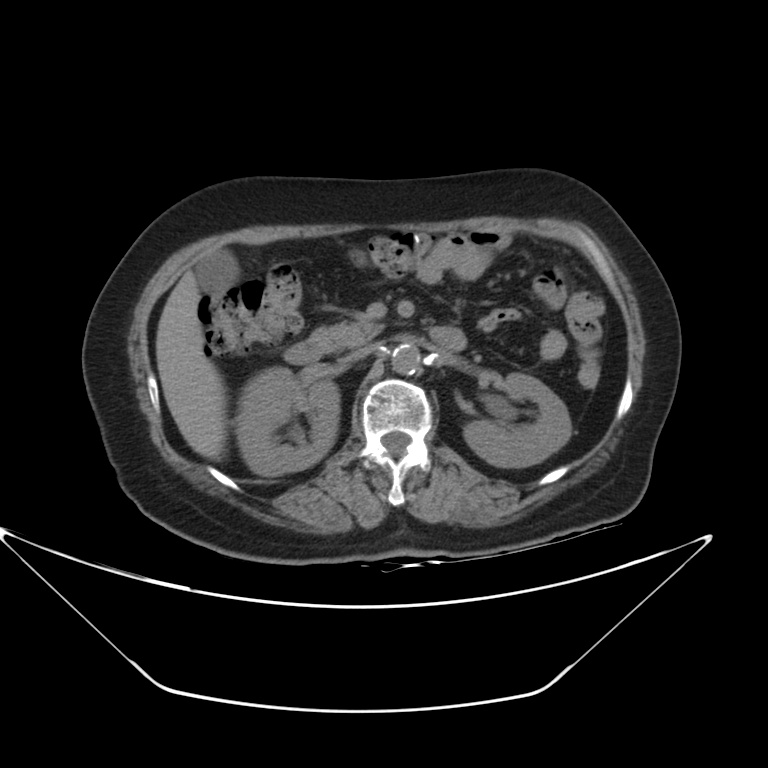
CT, abdomen/pelvis · axial view · 15 organs annotated in this scan (counted over the whole 3D scan, not this slice; an organ is boxed only where this slice passes through it)
Organ boxes in pixel coordinates; each row gives the top-left (x1, y1) and bottom-right (x2, y2) corners.
| organ | x1 | y1 | x2 | y2 |
|---|---|---|---|---|
| right kidney | 236 | 366 | 340 | 476 |
| left kidney | 463 | 373 | 570 | 467 |
| gall bladder | 194 | 249 | 239 | 297 |
| liver | 155 | 269 | 227 | 460 |
| aorta | 391 | 344 | 421 | 374 |
| inferior vena cava | 342 | 344 | 376 | 363 |
| pancreas | 310 | 321 | 383 | 351 |
| duodenum | 283 | 327 | 464 | 364 |